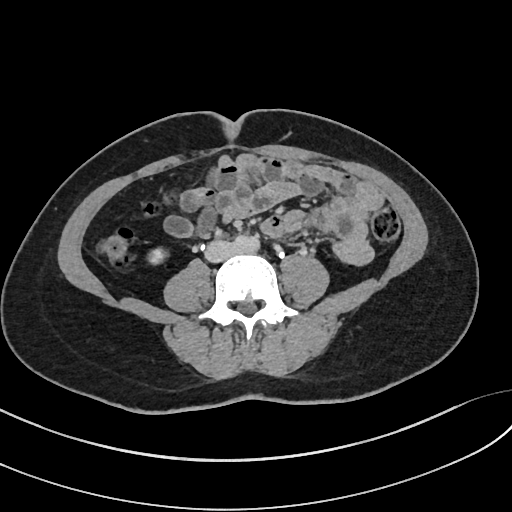
Computed tomography, abdomen. Axial slice 113/219. soft-tissue window. scan has 15 labeled organs (a whole-scan count: organs this slice does not pass through have no box)
Organ boxes in pixel coordinates; each row gives the top-left (x1, y1) and bottom-right (x2, y2) corners.
| organ | x1 | y1 | x2 | y2 |
|---|---|---|---|---|
| right kidney | 148 | 247 | 166 | 263 |
| aorta | 235 | 235 | 258 | 252 |
| inferior vena cava | 204 | 239 | 237 | 262 |